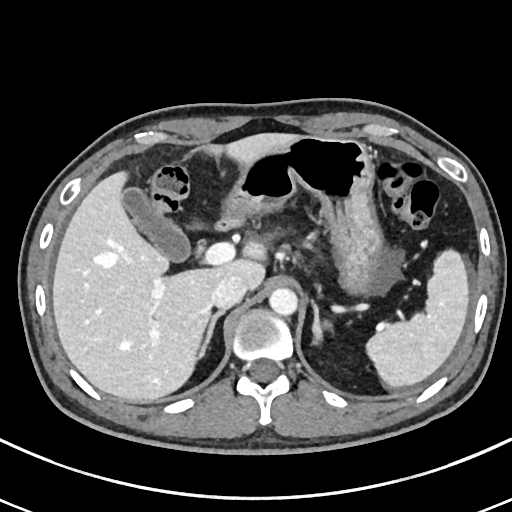 Abdominal CT; Axial slice 169/218; W/L 400/40 HU; scan has 15 labeled organs (counted over the whole 3D scan, not this slice; an organ is boxed only where this slice passes through it)
Boxes: x1 y1 x2 y2 (pixel coords, space-separated).
right adrenal gland: 197 312 222 357
gall bladder: 124 187 189 260
inferior vena cava: 211 276 246 310
stomach: 216 136 381 294
left adrenal gland: 312 304 332 345
spleen: 366 249 468 386
liver: 52 132 302 401
aorta: 269 288 297 317